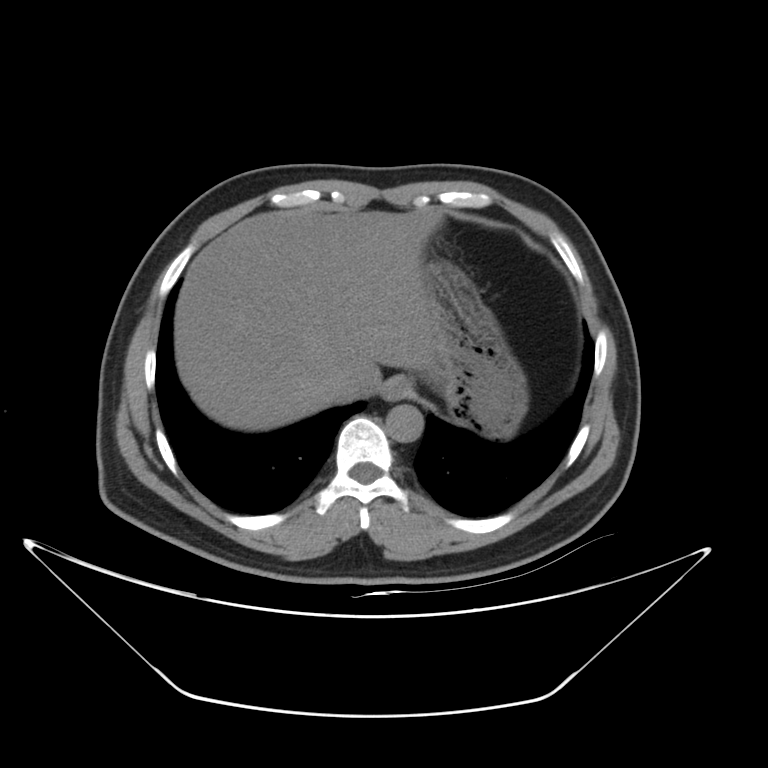
CT abdomen · axial plane, index 90 · soft-tissue window (W 400 / L 40) · 768x768 px
{"organs":{"esophagus":[383,378,410,400],"liver":[174,209,440,431],"stomach":[427,260,527,438],"aorta":[385,405,423,442],"inferior vena cava":[326,369,360,397]}}